CT, abdomen/pelvis. axial view
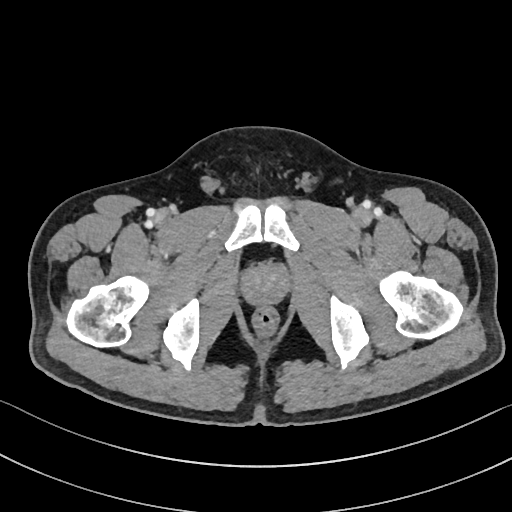 Boxes: x1 y1 x2 y2 (pixel coords, space-separated). Labeled organs on this slice: prostate/uterus at 241 265 288 305.